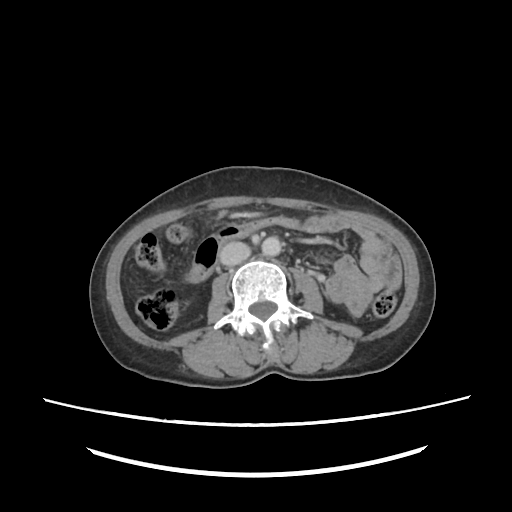 Computed tomography, abdomen — axial view — 512x512 px — 60-year-old female patient
<organs><organ name="aorta" x1="260" y1="236" x2="281" y2="256"/><organ name="inferior vena cava" x1="220" y1="242" x2="250" y2="266"/></organs>